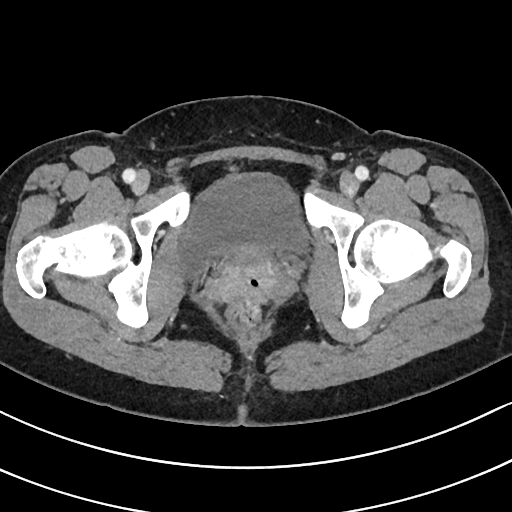 CT abdomen; axial view; scan has 15 labeled organs (that count is for the whole scan; organs this slice misses have no box)
Bounding boxes in pixels, one row per box: x1, y1 is the top-left corner and x2, y2 the bottom-right.
| organ | x1 | y1 | x2 | y2 |
|---|---|---|---|---|
| bladder | 180 | 174 | 306 | 267 |